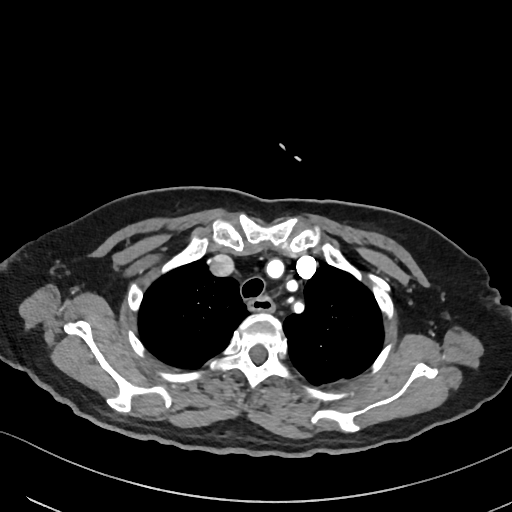
Chest-level slice from an abdominal CT that extends up into the chest · axial view · soft-tissue window · 15 organs annotated in this scan (counted over the whole 3D scan, not this slice; an organ is boxed only where this slice passes through it)
At this level of the chest this dataset labels only the esophagus and the aorta, and each is boxed only where it is labeled; the heart and lungs are never labeled. Bounding boxes as [x1, y1, x2, y2] in pixel coordinates. 1 labeled organ on this slice — esophagus at [248, 296, 273, 311].